Abdominal CT; axial view; 512x512 px
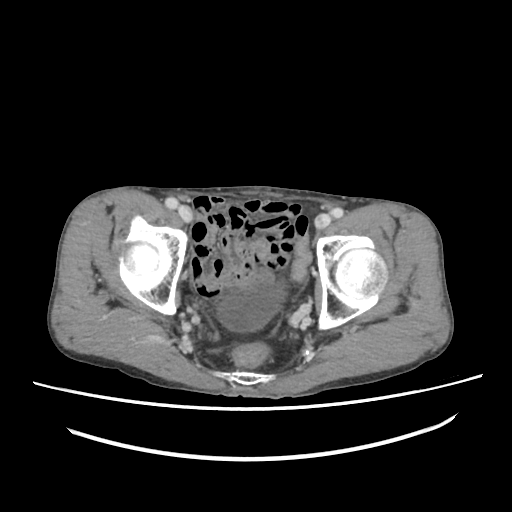 Boxes: x1 y1 x2 y2 (pixel coords, space-separated).
bladder: 218 281 284 331